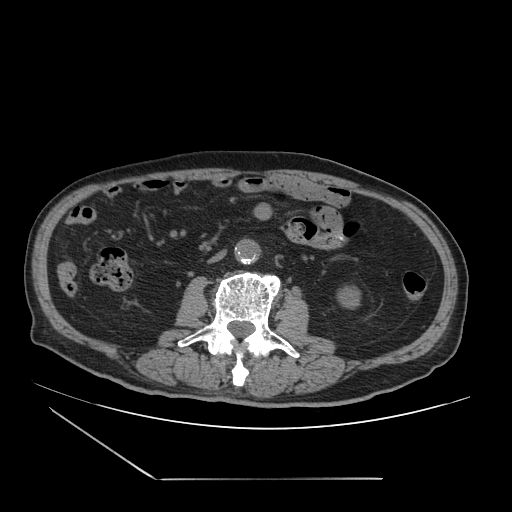 CT abdomen · axial view · 512x512 px
{"organs":{"aorta":[234,238,260,263],"left kidney":[337,285,360,308],"inferior vena cava":[208,250,226,263]}}